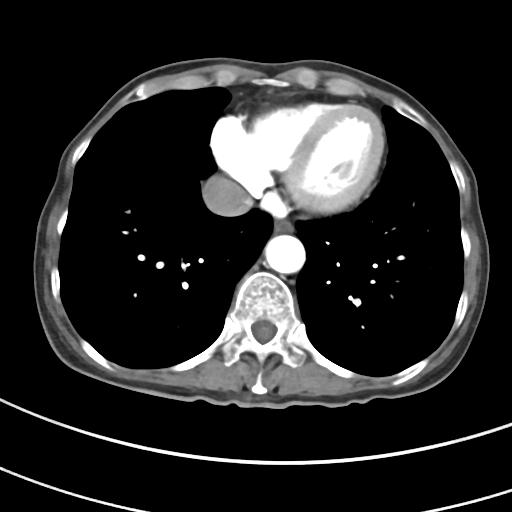 CT of the abdomen reaching into the lower chest, slice just above the liver and spleen — axial view — soft-tissue window (W 400 / L 40) — SOMATOM Force scanner
Of the structures in the chest, this dataset labels only the esophagus, the aorta and the inferior vena cava; the heart and lungs have no label.
Boxes: x1:y1:x2:y2 in pixels.
Organ bounding boxes:
- esophagus: 274:220:291:231
- aorta: 264:235:305:273
- inferior vena cava: 201:175:252:217